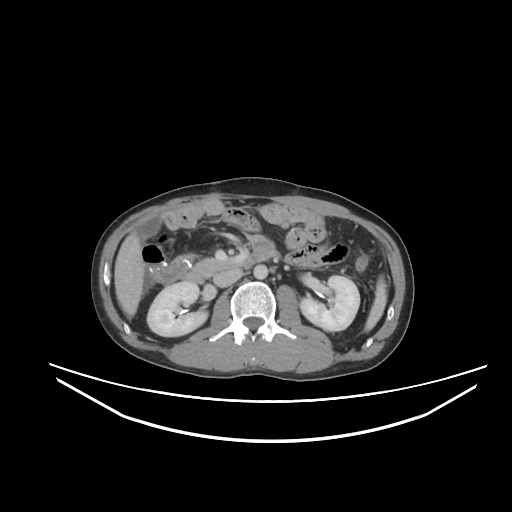

CT abdomen — axial view — 512x512 px — 15 organs annotated in this scan (counted over the whole 3D scan, not this slice; an organ is boxed only where this slice passes through it)
<organs><organ name="spleen" x1="365" y1="277" x2="386" y2="331"/><organ name="right kidney" x1="147" y1="281" x2="207" y2="336"/><organ name="left kidney" x1="300" y1="275" x2="359" y2="331"/><organ name="gall bladder" x1="141" y1="217" x2="160" y2="238"/><organ name="liver" x1="114" y1="231" x2="144" y2="317"/><organ name="aorta" x1="253" y1="264" x2="267" y2="279"/><organ name="inferior vena cava" x1="213" y1="268" x2="242" y2="287"/><organ name="pancreas" x1="195" y1="258" x2="222" y2="272"/><organ name="duodenum" x1="182" y1="237" x2="278" y2="283"/></organs>